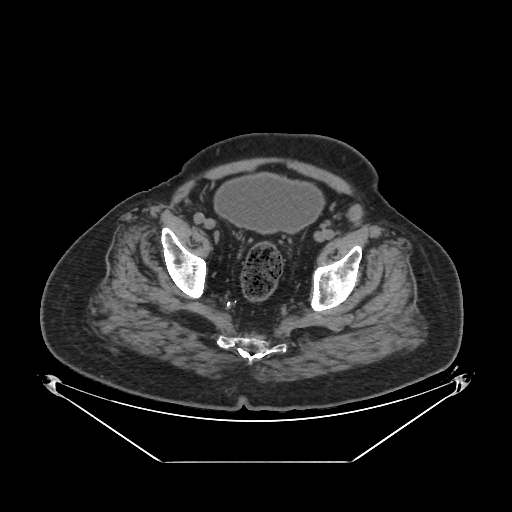 Abdominal CT. Axial slice 65/353. abdomen soft-tissue window. 512x512 px. scan has 15 labeled organs (that count is for the whole scan; organs this slice misses have no box)
Boxes: x1 y1 x2 y2 (pixel coords, space-separated).
bladder: 213 172 326 232